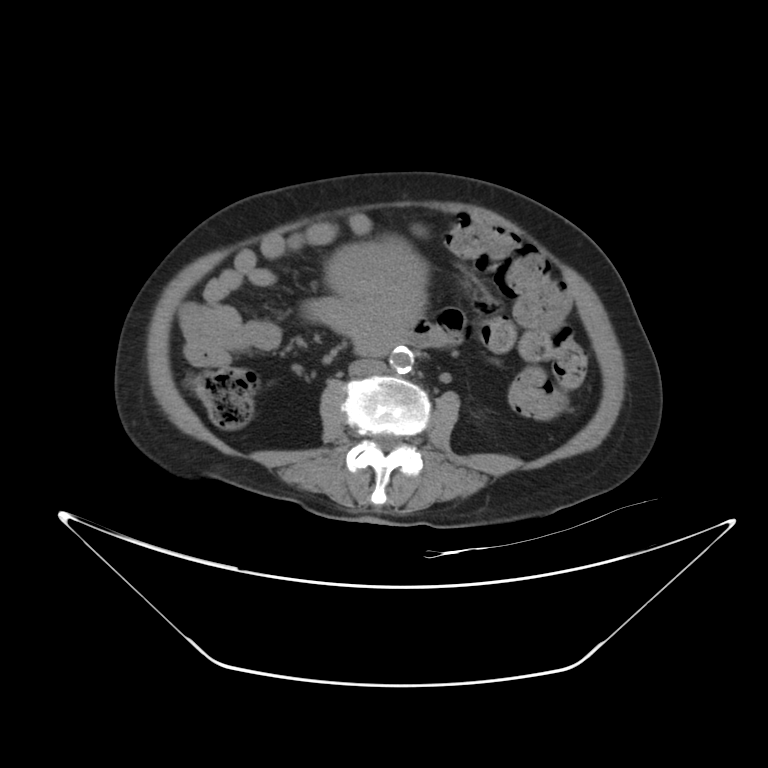

CT, abdomen/pelvis; axial view; 66-year-old female patient
{"organs":{"stomach":[310,240,423,353],"aorta":[390,347,413,373],"inferior vena cava":[348,359,386,376],"duodenum":[362,345,396,360]}}